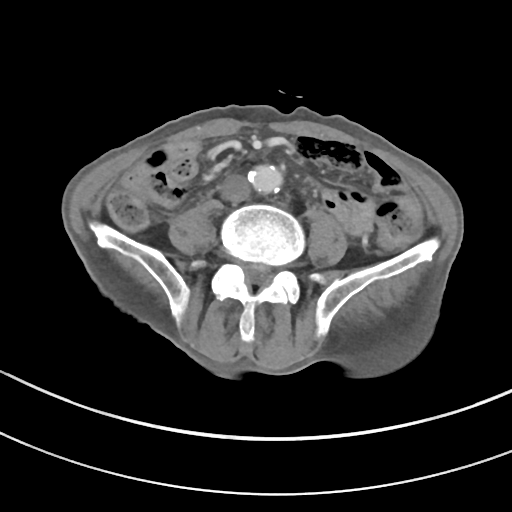
CT, abdomen/pelvis — axial view
Coordinates as <box>x1,y1,x2,y2</box> in pixels.
Organ bounding boxes:
- aorta: <box>248,165,282,193</box>
- inferior vena cava: <box>222,174,251,202</box>